CT abdomen. axial view. 15 organs annotated in this scan (counted over the whole 3D scan, not this slice; an organ is boxed only where this slice passes through it)
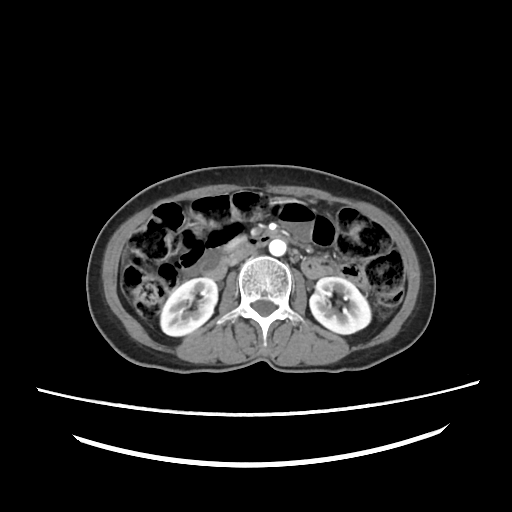 Boxes: x1 y1 x2 y2 (pixel coords, space-separated).
right kidney: 159 278 217 337
left kidney: 309 276 371 334
aorta: 268 240 287 256
inferior vena cava: 226 244 256 266
pancreas: 222 236 249 253
duodenum: 204 233 275 281